CT abdomen. axial view. 512x512 px. SOMATOM Force scanner. 15 organs annotated in this scan (that count is for the whole scan; organs this slice misses have no box)
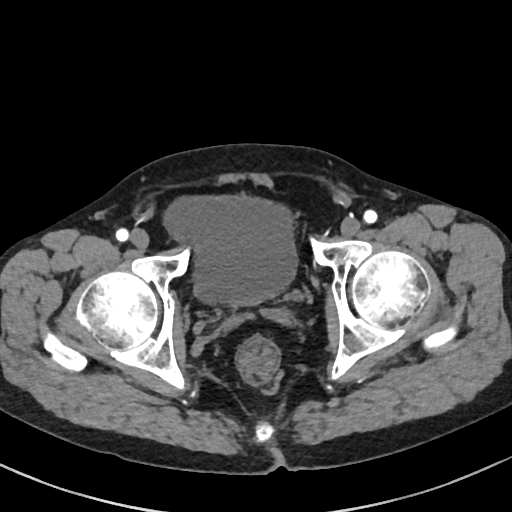

Boxes: x1 y1 x2 y2 (pixel coords, space-separated).
bladder: 166 196 295 305